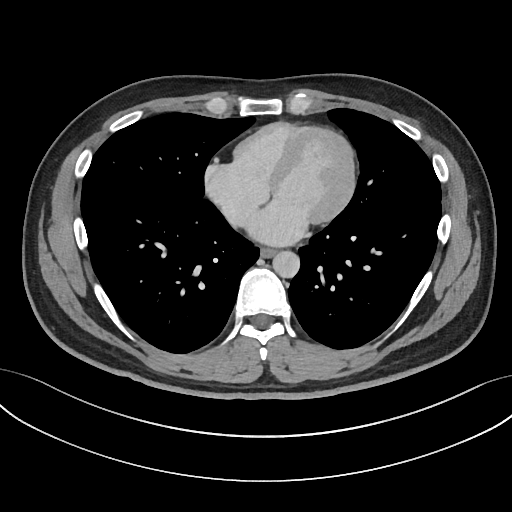
Lower-chest slice from an abdominal CT, just above the liver and spleen — axial view — 512x512 px — acquired on SOMATOM Force — scan has 15 labeled organs (a whole-scan count: organs this slice does not pass through have no box)
The heart and lungs are never labeled in this dataset, so they have no box on this slice. Boxes: x1:y1:x2:y2 in pixels. The annotated organs in this slice are: esophagus at 260:248:276:257, aorta at 272:251:300:277.